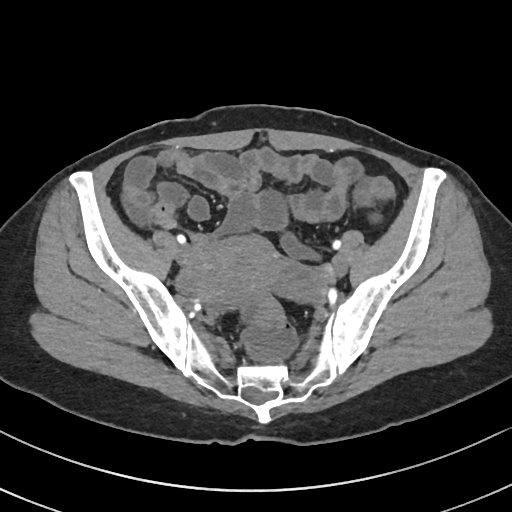

CT, abdomen/pelvis — axial view — 512x512 px — scan has 15 labeled organs (a whole-scan count: organs this slice does not pass through have no box)
{"organs":{"prostate/uterus":[195,234,282,303]}}